Abdominal CT. axial view. scan has 15 labeled organs (counted over the whole 3D scan, not this slice; an organ is boxed only where this slice passes through it)
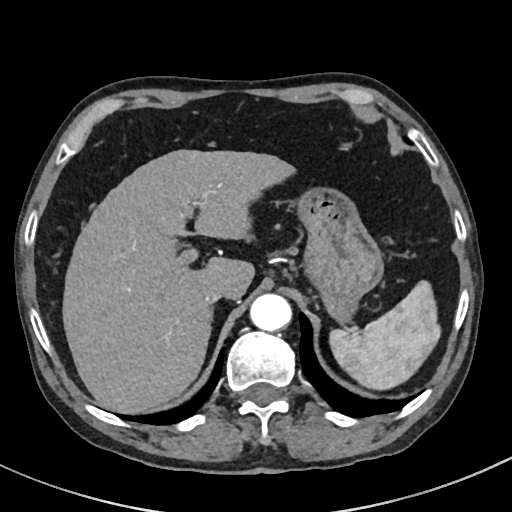 Coordinates as <box>x1,y1,x2,y2</box> in pixels.
spleen: <box>329,280,440,390</box>
liver: <box>62,149,295,413</box>
stomach: <box>294,186,383,323</box>
aorta: <box>250,294,292,331</box>
inferior vena cava: <box>201,285,230,307</box>
right adrenal gland: <box>211,314,212,318</box>